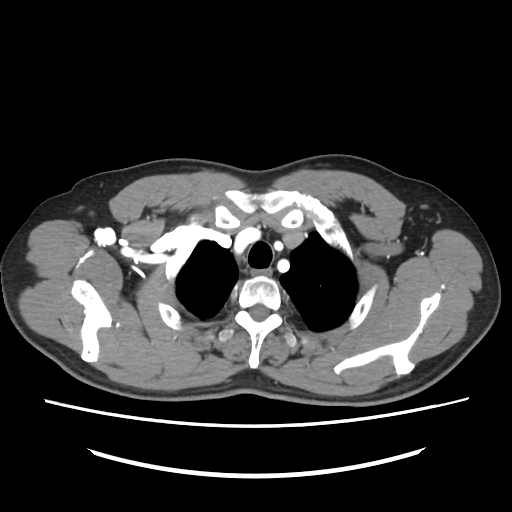
CT of the abdomen extending into the chest, slice through the chest — Axial slice 126/134 — 512x512 px — scan has 15 labeled organs (a whole-scan count: organs this slice does not pass through have no box)
At this level of the chest no structure but the esophagus and the aorta has a label in this dataset, and those two are boxed only where they are labeled.
Bounding boxes in pixels, one row per box: x1, y1 is the top-left corner and x2, y2 the bottom-right.
| organ | x1 | y1 | x2 | y2 |
|---|---|---|---|---|
| esophagus | 251 | 268 | 271 | 275 |